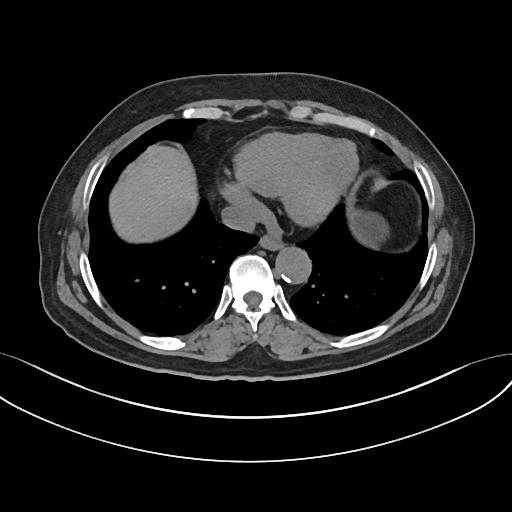

Computed tomography, abdomen · axial view · W/L 400/40 HU · SOMATOM Force scanner
<organs><organ name="inferior vena cava" x1="221" y1="205" x2="259" y2="232"/><organ name="aorta" x1="275" y1="246" x2="311" y2="283"/><organ name="liver" x1="109" y1="145" x2="198" y2="242"/><organ name="stomach" x1="349" y1="208" x2="388" y2="247"/><organ name="esophagus" x1="259" y1="235" x2="283" y2="250"/></organs>